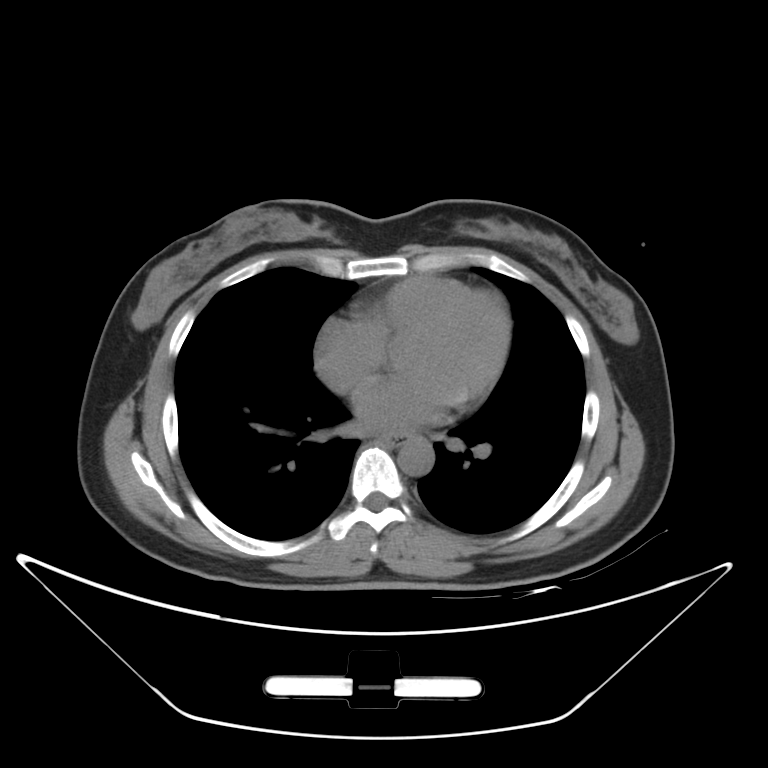
Abdominal CT; this slice is in the lower chest, just above the liver — axial plane, index 98 — 768x768 px
No part of the heart or lungs is labeled in this dataset, so neither has a box here. Boxes are (x1, y1, x2, y2) in pixels. Labeled organs on this slice: esophagus at (376, 435, 403, 445), aorta at (397, 436, 434, 474).